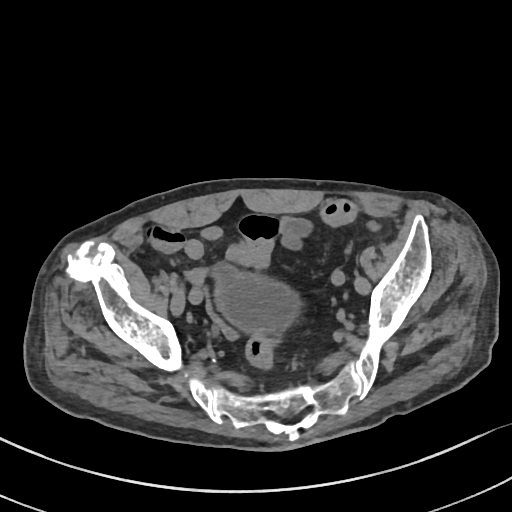 CT abdomen — Axial slice 50/208 — SOMATOM Force scanner
Each box given as x1,y1,x2,y2. The annotated organs in this slice are: bladder at x1=212, y1=263, x2=298, y2=334.